CT, abdomen/pelvis. axial view. 512x512 px
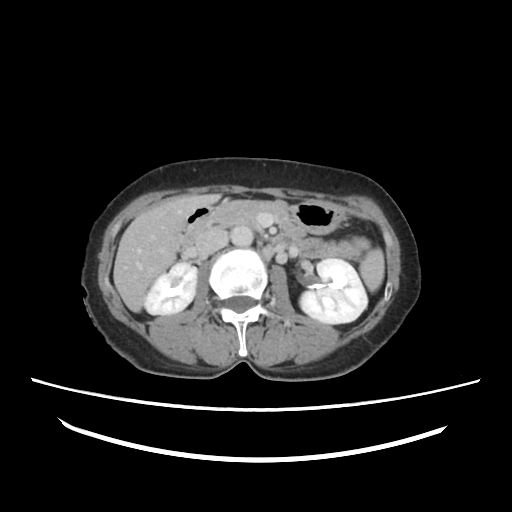
{"organs":{"spleen":[360,250,384,291],"right kidney":[143,261,198,314],"left kidney":[231,226,367,323],"liver":[113,194,221,312],"stomach":[187,202,342,235],"aorta":[232,233,252,247],"inferior vena cava":[196,229,229,258],"pancreas":[195,200,371,260],"duodenum":[181,225,196,249]}}